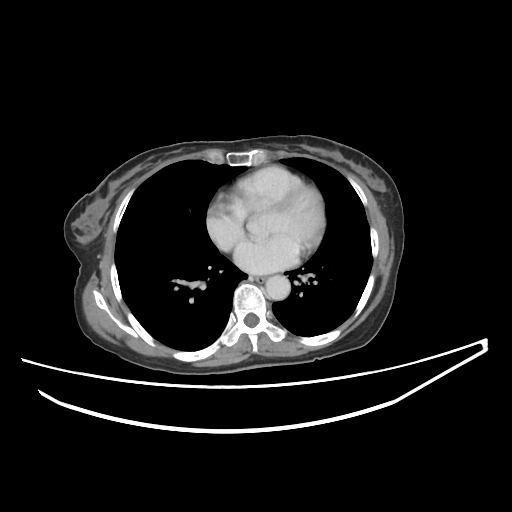
Abdominal CT; this slice is in the lower chest, just above the liver; Axial slice 89/116; soft-tissue window (W 400 / L 40); 62-year-old female patient
Of the structures in the chest, this dataset labels only the esophagus, the aorta and the inferior vena cava; the heart and lungs have no label.
<organs><organ name="esophagus" x1="251" y1="276" x2="265" y2="282"/><organ name="aorta" x1="265" y1="275" x2="290" y2="300"/></organs>